Abdominal CT; this slice is in the lower chest, just above the liver; Axial slice 202/206
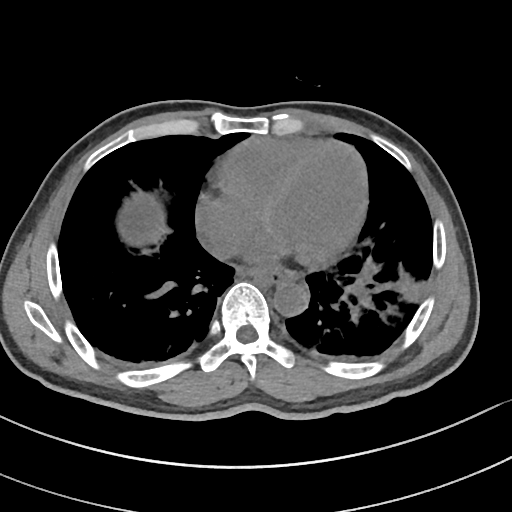
Of the structures in the chest, this dataset labels only the esophagus, the aorta and the inferior vena cava; the heart and lungs have no label.
Bounding boxes as [x1, y1, x2, y2] in pixel coordinates.
esophagus: [249, 268, 298, 284]
aorta: [273, 282, 308, 317]